Computed tomography, abdomen; axial view; soft-tissue window (W 400 / L 40); 34-year-old female patient
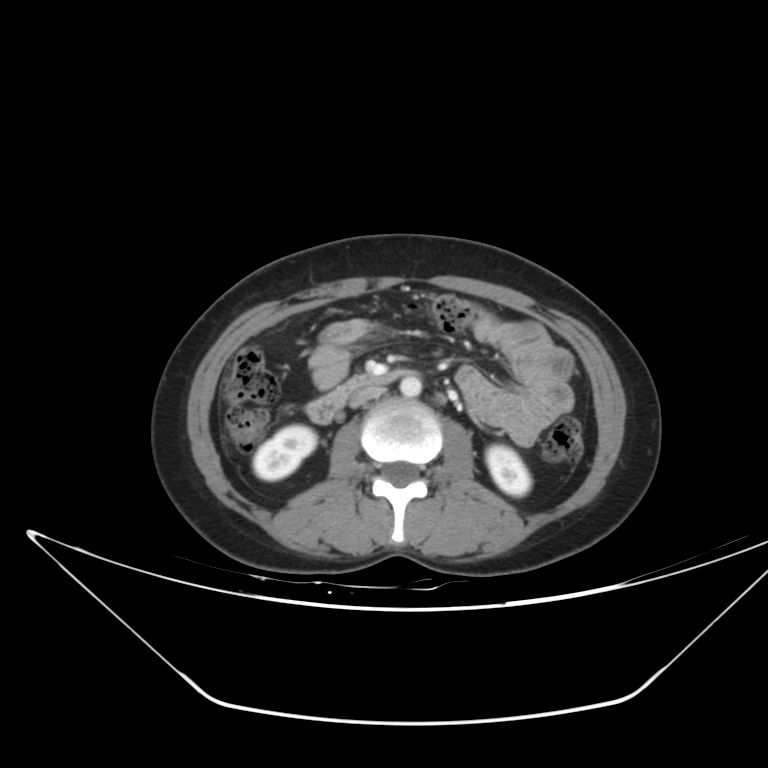
<organs><organ name="aorta" x1="400" y1="375" x2="421" y2="397"/><organ name="inferior vena cava" x1="350" y1="387" x2="382" y2="407"/><organ name="duodenum" x1="305" y1="370" x2="405" y2="424"/><organ name="right kidney" x1="253" y1="425" x2="316" y2="480"/><organ name="left kidney" x1="486" y1="445" x2="530" y2="495"/></organs>